CT abdomen · axial view · 768x768 px · 32-year-old female patient
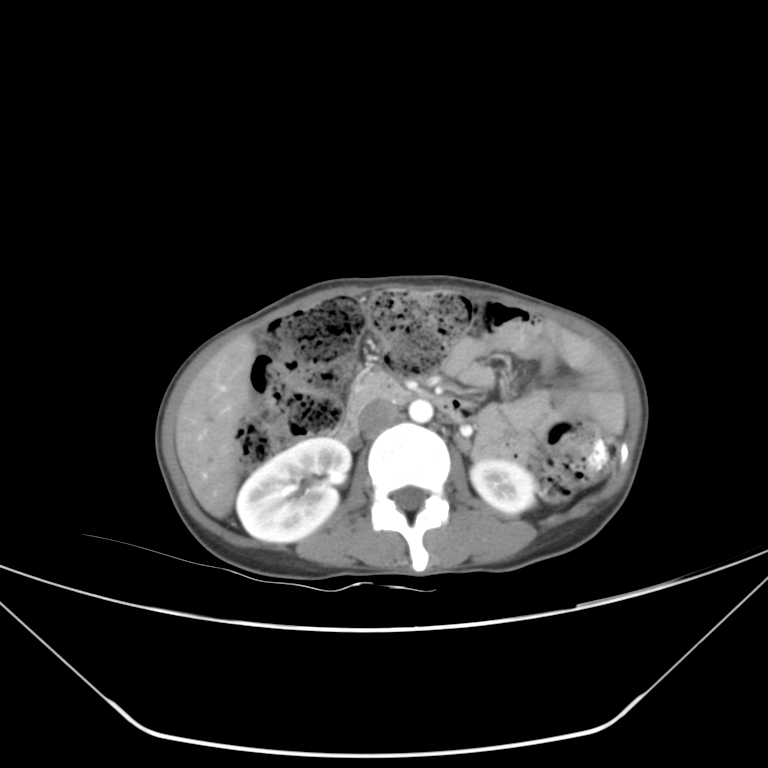

Boxes are (x1, y1, x2, y2) in pixels. The annotated organs in this slice are: right kidney at (236, 436, 350, 542), left kidney at (471, 460, 536, 513), liver at (175, 337, 255, 518), aorta at (409, 399, 433, 422), inferior vena cava at (363, 402, 400, 430), duodenum at (332, 374, 474, 440).